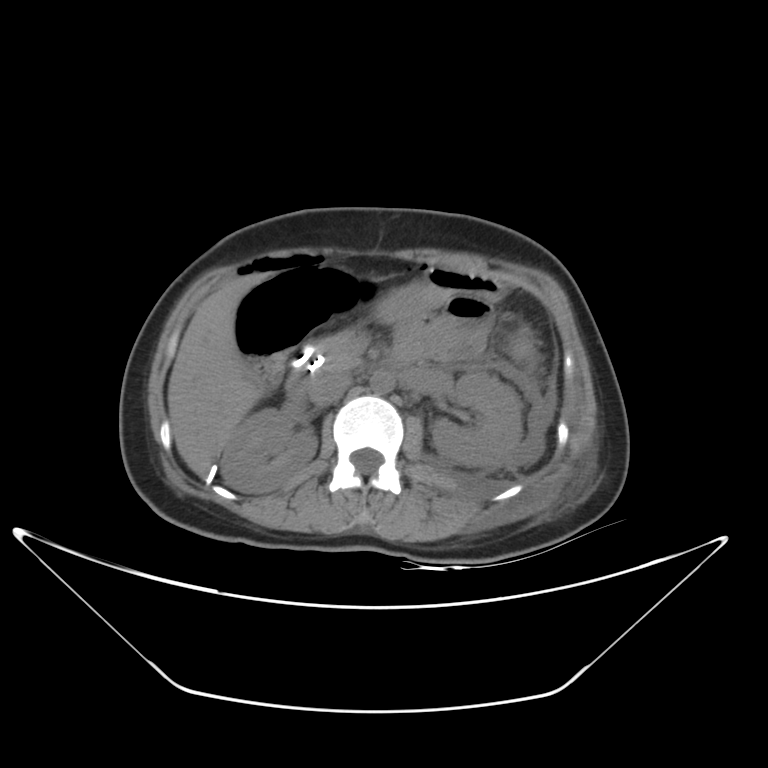 CT abdomen — axial view — soft-tissue window
Boxes: x1 y1 x2 y2 (pixel coords, space-separated).
Organ bounding boxes:
- right kidney: 221 409 318 492
- left kidney: 430 371 522 467
- liver: 168 272 264 475
- stomach: 378 265 502 321
- aorta: 370 370 394 394
- inferior vena cava: 307 371 352 405
- pancreas: 319 330 361 372
- duodenum: 285 342 321 398